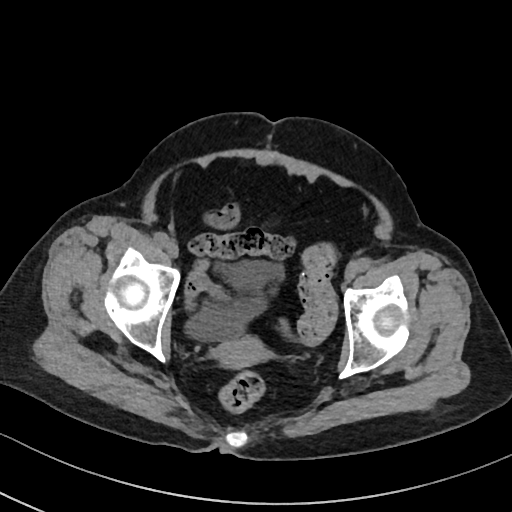 CT, abdomen/pelvis; axial view
Boxes: x1:y1:x2:y2 in pixels.
bladder: 184:258:284:340
prostate/uterus: 214:336:267:369